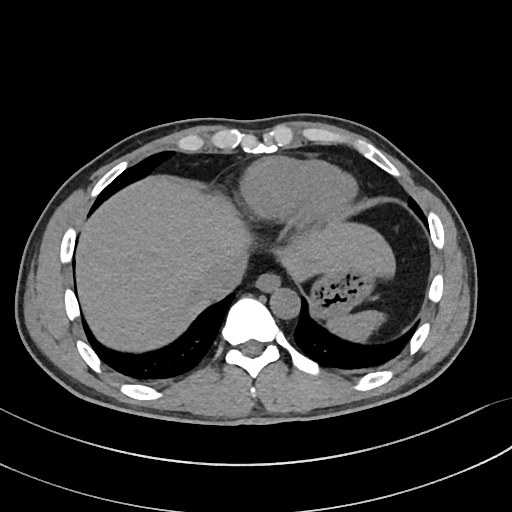
Abdominal CT · axial view · abdomen soft-tissue window · 512x512 px
<organs><organ name="spleen" x1="327" y1="310" x2="385" y2="341"/><organ name="esophagus" x1="255" y1="273" x2="280" y2="292"/><organ name="liver" x1="76" y1="175" x2="395" y2="352"/><organ name="stomach" x1="309" y1="268" x2="375" y2="318"/><organ name="aorta" x1="270" y1="288" x2="299" y2="318"/><organ name="inferior vena cava" x1="201" y1="259" x2="245" y2="299"/></organs>